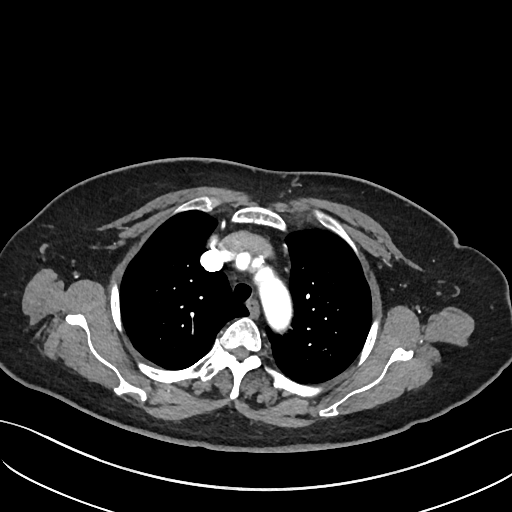
Chest-level slice from an abdominal CT that extends up into the chest; Axial slice 248/276
At this level of the chest no structure but the esophagus and the aorta has a label in this dataset, and those two are boxed only where they are labeled.
Bounding boxes in pixels, one row per box: x1, y1 is the top-left corner and x2, y2 the bottom-right.
| organ | x1 | y1 | x2 | y2 |
|---|---|---|---|---|
| esophagus | 247 | 300 | 258 | 315 |
| aorta | 260 | 278 | 291 | 331 |